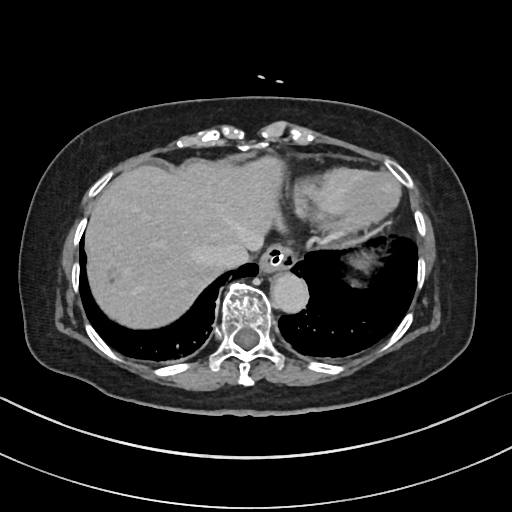 CT, abdomen/pelvis. axial view. soft-tissue window. 512x512 px
Bounding boxes as [x1, y1, x2, y2] in pixel coordinates.
Organ bounding boxes:
- esophagus: [259, 245, 294, 272]
- liver: [85, 156, 284, 328]
- aorta: [271, 272, 308, 312]
- inferior vena cava: [213, 241, 249, 268]